Magnetic resonance imaging, abdomen. coronal plane, index 102. percentile-normalized. scan has 13 labeled organs (a whole-scan count: organs this slice does not pass through have no box)
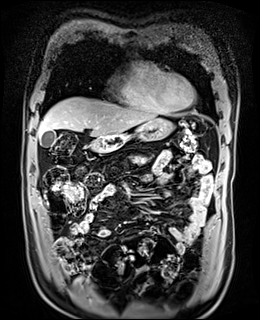

One row per box, in pixels: columns x1 and y1 give the top-left corner, x2 and y2 the bottom-right.
| organ | x1 | y1 | x2 | y2 |
|---|---|---|---|---|
| gall bladder | 40 | 130 | 56 | 147 |
| liver | 37 | 97 | 156 | 137 |
| stomach | 98 | 118 | 173 | 144 |
| pancreas | 131 | 155 | 149 | 164 |
| duodenum | 90 | 138 | 122 | 152 |